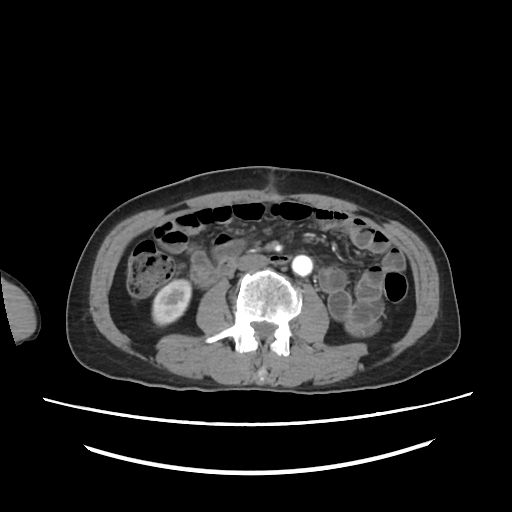 CT abdomen; axial view; soft-tissue window (W 400 / L 40); 14 organs annotated in this scan (counted over the whole 3D scan, not this slice; an organ is boxed only where this slice passes through it)
Boxes are (x1, y1, x2, y2) in pixels. Labeled organs on this slice: inferior vena cava at (239, 255, 269, 272), aorta at (291, 254, 312, 276), right kidney at (152, 279, 192, 324).